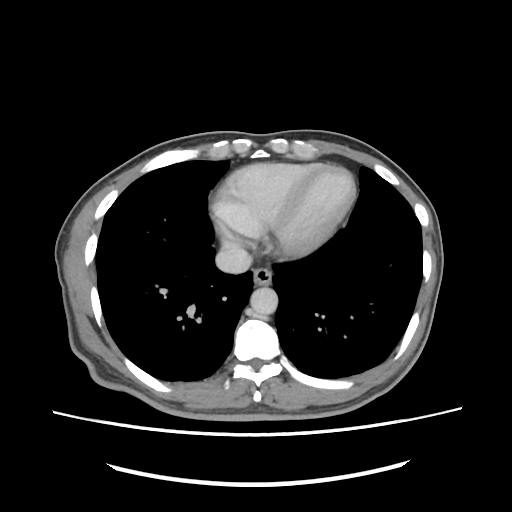 CT of the abdomen reaching into the lower chest, slice just above the liver and spleen; Axial slice 88/123; W/L 400/40 HU; 54-year-old male patient
The heart and lungs are never labeled in this dataset, so they have no box on this slice. Boxes: x1:y1:x2:y2 in pixels. Labeled organs on this slice: inferior vena cava at 215:244:252:273, aorta at 250:287:278:314, esophagus at 253:268:271:285.